Lower-chest slice from an abdominal CT, just above the liver and spleen; axial plane, index 92; 56-year-old male patient; 14 organs annotated in this scan (counted over the whole 3D scan, not this slice; an organ is boxed only where this slice passes through it)
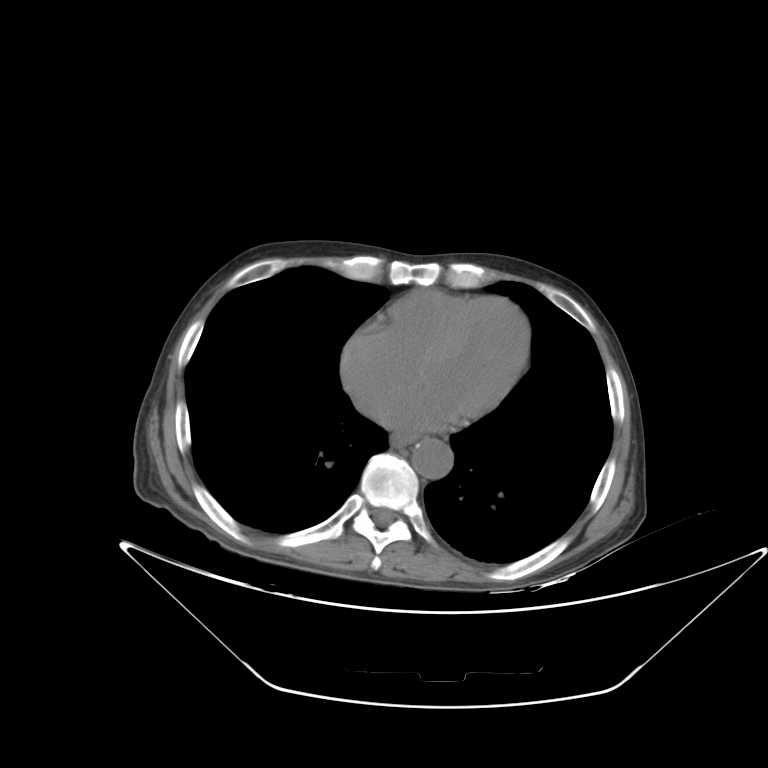
No part of the heart or lungs is labeled in this dataset, so neither has a box here.
Each box given as x1,y1,x2,y2.
esophagus: x1=390, y1=433, x2=415, y2=448
aorta: x1=412, y1=438, x2=452, y2=479